Abdominal CT — axial view — W/L 400/40 HU — 39-year-old male patient
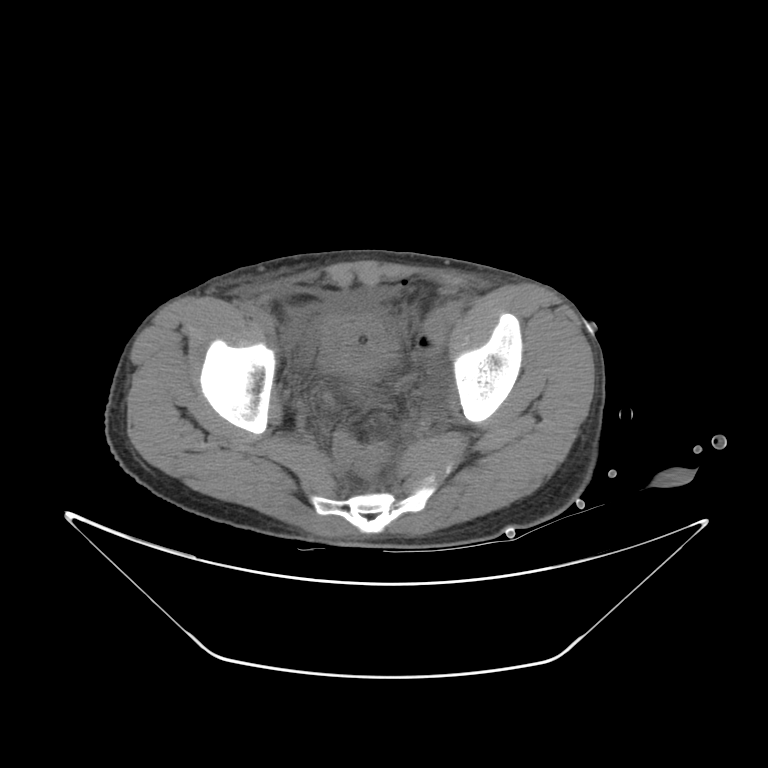 Coordinates as <box>x1,y1,x2,y2</box> in pixels.
Organ bounding boxes:
- bladder: <box>324,317,389,372</box>